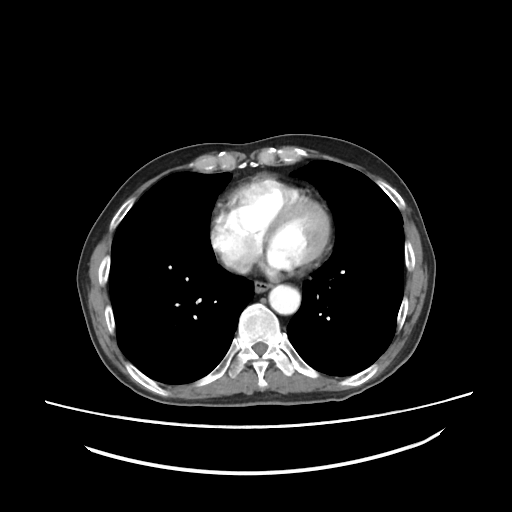
Abdominal CT; this slice is in the lower chest, just above the liver; axial view; W/L 400/40 HU; 512x512 px; 68-year-old male patient
Of the structures in the chest, this dataset labels only the esophagus, the aorta and the inferior vena cava; the heart and lungs have no label.
Bounding boxes in pixels, one row per box: x1, y1 is the top-left corner and x2, y2 the bottom-right.
| organ | x1 | y1 | x2 | y2 |
|---|---|---|---|---|
| esophagus | 254 | 281 | 270 | 292 |
| aorta | 269 | 285 | 300 | 314 |